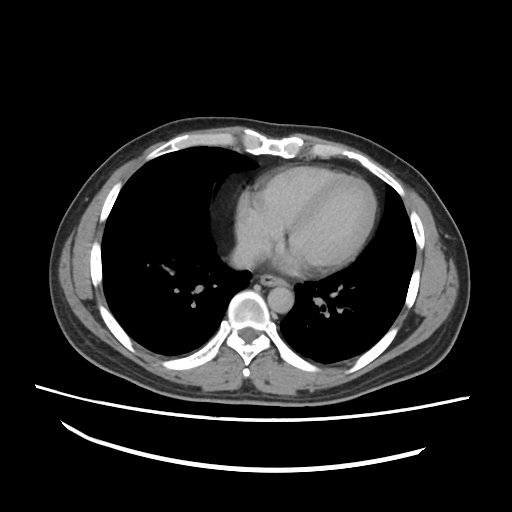

Abdominal CT; this slice is in the lower chest, just above the liver; axial plane, index 94; soft-tissue window (W 400 / L 40); 44-year-old male patient; 15 organs annotated in this scan (counted over the whole 3D scan, not this slice; an organ is boxed only where this slice passes through it)
The heart and lungs are never labeled in this dataset, so they have no box on this slice.
Bounding boxes as [x1, y1, x2, y2] in pixel coordinates.
Organ bounding boxes:
- esophagus: [260, 275, 286, 285]
- aorta: [268, 286, 294, 312]
- inferior vena cava: [228, 240, 273, 268]